Abdominal CT · Axial slice 90/280 · soft-tissue window · 512x512 px
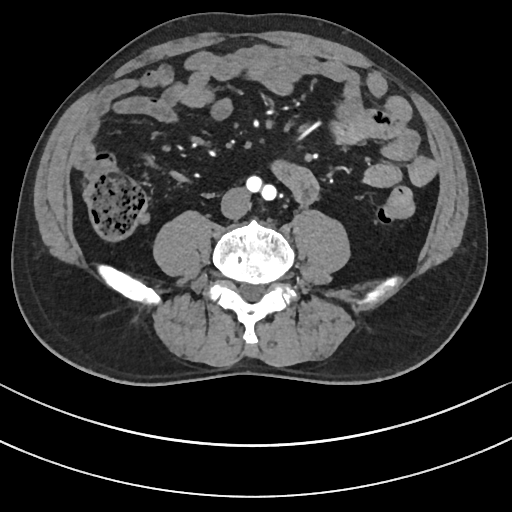 Each box given as x1,y1,x2,y2. The annotated organs in this slice are: inferior vena cava at x1=221, y1=187, x2=250, y2=219.